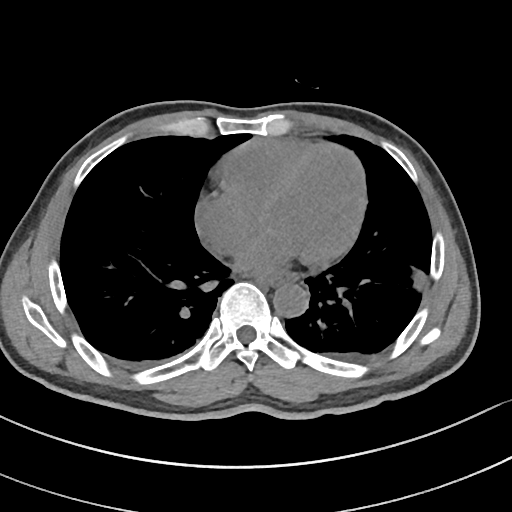 CT of the abdomen reaching into the lower chest, slice just above the liver and spleen; Axial slice 204/206; W/L 400/40 HU; 512x512 px; 15 organs annotated in this scan (that count is for the whole scan; organs this slice misses have no box)
No part of the heart or lungs is labeled in this dataset, so neither has a box here.
Each box given as x1,y1,x2,y2.
esophagus: x1=257, y1=273, x2=298, y2=285
aorta: x1=273, y1=282, x2=308, y2=318